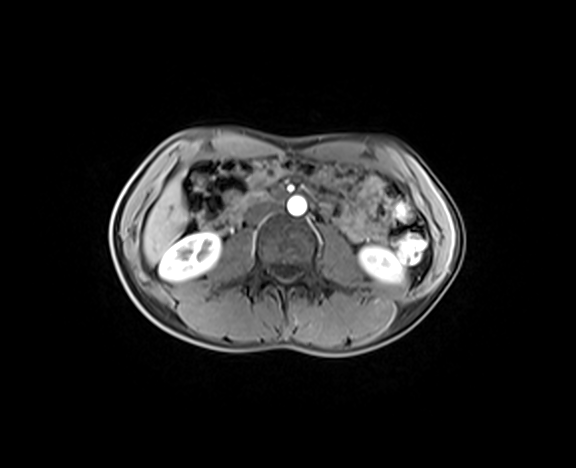

Abdominal MR — Axial slice 20/72 — 576x468 px — scan has 13 labeled organs (a whole-scan count: organs this slice does not pass through have no box)
Coordinates as <box>x1,y1,x2,y2</box> in pixels.
right kidney: <box>159,233,220,281</box>
left kidney: <box>359,247,403,282</box>
liver: <box>143,178,187,264</box>
aorta: <box>287,196,306,215</box>
inferior vena cava: <box>246,199,279,221</box>
duodenum: <box>228,191,286,221</box>